Abdominal CT; axial plane, index 139; 512x512 px; SOMATOM Force scanner; 15 organs annotated in this scan (that count is for the whole scan; organs this slice misses have no box)
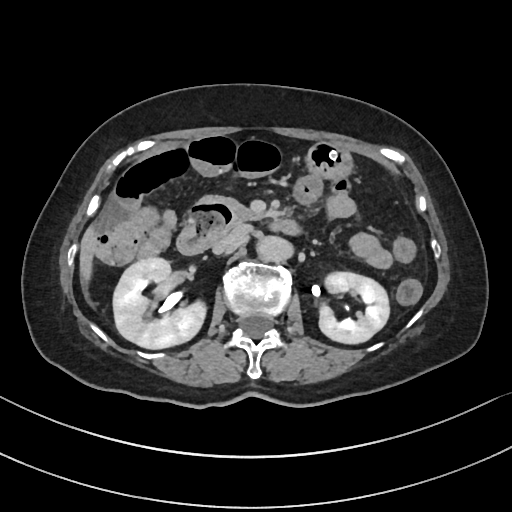

Each box given as x1,y1,x2,y2.
liver: x1=80, y1=226, x2=95, y2=280
right kidney: x1=112, y1=257, x2=206, y2=348
left kidney: x1=317, y1=271, x2=388, y2=343
inferior vena cava: x1=213, y1=226, x2=248, y2=253
stomach: x1=308, y1=142, x2=350, y2=177
pancreas: x1=196, y1=194, x2=255, y2=221
aorta: x1=259, y1=238, x2=295, y2=261
duodenum: x1=178, y1=204, x2=296, y2=254